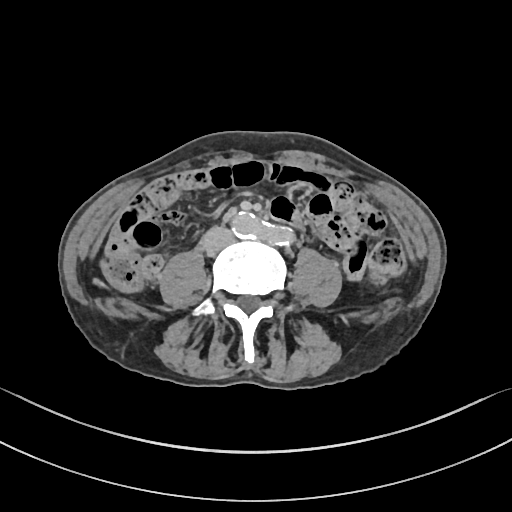

CT, abdomen/pelvis. axial view. soft-tissue window. 512x512 px. 15 organs annotated in this scan (a whole-scan count: organs this slice does not pass through have no box)
{"organs":{"aorta":[232,211,290,246],"inferior vena cava":[204,227,233,252]}}